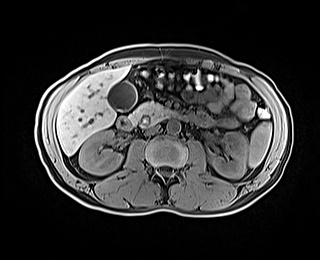
MRI, abdomen; axial view; acquired on Prisma
Bounding boxes as [x1, y1, x2, y2] in pixel coordinates.
liver: [56, 66, 129, 155]
aorta: [166, 120, 180, 133]
spleen: [248, 123, 271, 167]
gall bladder: [107, 81, 136, 110]
duodenum: [117, 114, 195, 130]
left kidney: [208, 132, 247, 178]
inferior vena cava: [146, 125, 160, 134]
right kidney: [79, 130, 122, 175]
pancreas: [128, 101, 178, 124]